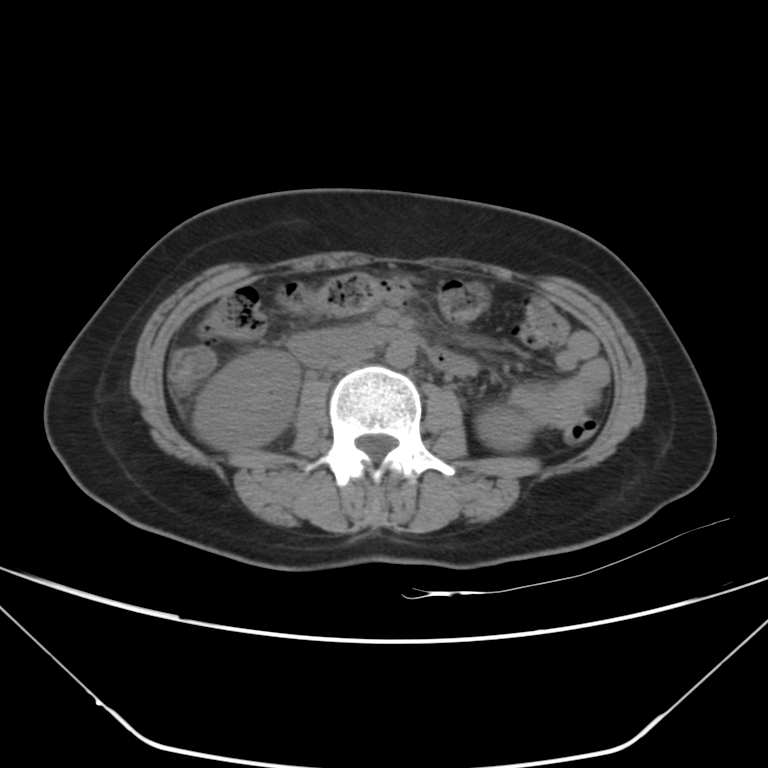
CT, abdomen/pelvis. axial plane, index 48. 768x768 px
Organ boxes in pixel coordinates; each row gives the top-left (x1, y1) and bottom-right (x2, y2) corners.
| organ | x1 | y1 | x2 | y2 |
|---|---|---|---|---|
| right kidney | 193 | 350 | 300 | 449 |
| left kidney | 475 | 406 | 530 | 451 |
| aorta | 386 | 340 | 415 | 368 |
| inferior vena cava | 326 | 348 | 371 | 371 |
| duodenum | 288 | 326 | 413 | 364 |